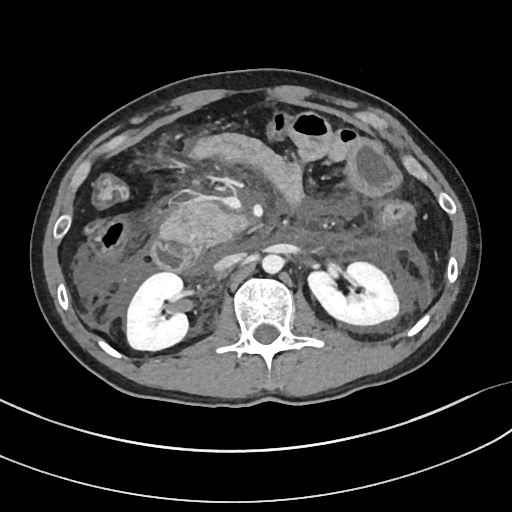 CT, abdomen/pelvis · Axial slice 152/251 · soft-tissue window
Bounding boxes as [x1, y1, x2, y2] in pixel coordinates.
Organ bounding boxes:
- right kidney: [126, 272, 188, 350]
- left kidney: [308, 262, 398, 325]
- aorta: [262, 254, 283, 274]
- inferior vena cava: [214, 253, 242, 271]
- pancreas: [160, 198, 246, 249]
- duodenum: [151, 241, 208, 274]